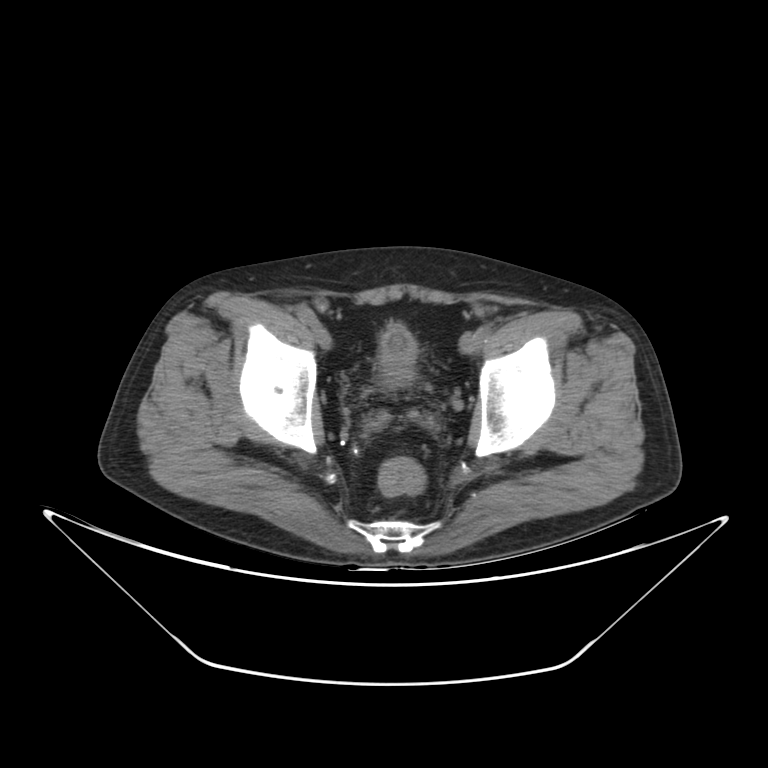
Abdominal CT · axial view · W/L 400/40 HU · 768x768 px
Each box given as x1,y1,x2,y2.
bladder: x1=380, y1=325, x2=416, y2=386